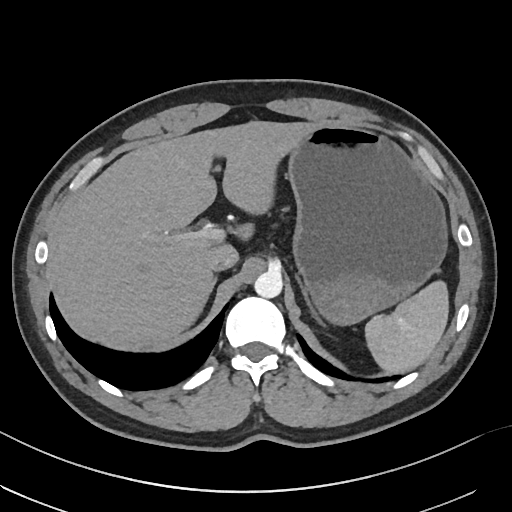
CT, abdomen/pelvis — axial view — abdomen soft-tissue window — scan has 15 labeled organs (that count is for the whole scan; organs this slice misses have no box)
<organs><organ name="inferior vena cava" x1="208" y1="254" x2="237" y2="271"/><organ name="spleen" x1="365" y1="280" x2="448" y2="373"/><organ name="right adrenal gland" x1="212" y1="277" x2="216" y2="288"/><organ name="stomach" x1="287" y1="124" x2="447" y2="324"/><organ name="left adrenal gland" x1="296" y1="276" x2="322" y2="323"/><organ name="aorta" x1="254" y1="270" x2="282" y2="298"/><organ name="liver" x1="55" y1="121" x2="316" y2="350"/></organs>